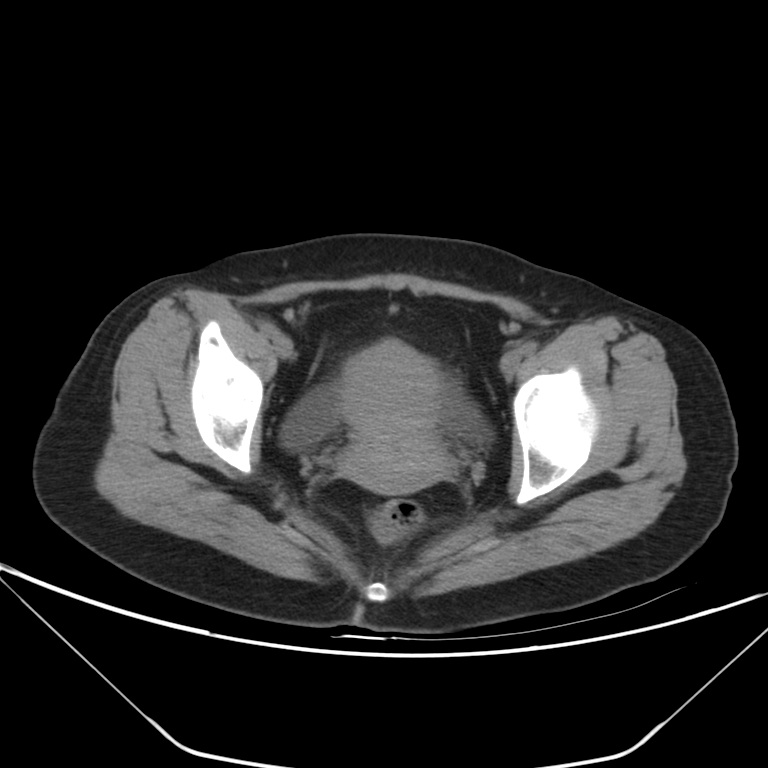
CT abdomen — axial view — Brilliance16 scanner
Box edges are left/top/right/bottom in pixels.
prostate/uterus: left=337, top=338, right=449, bottom=493
bladder: left=280, top=387, right=490, bottom=451